Magnetic resonance imaging, abdomen; axial view
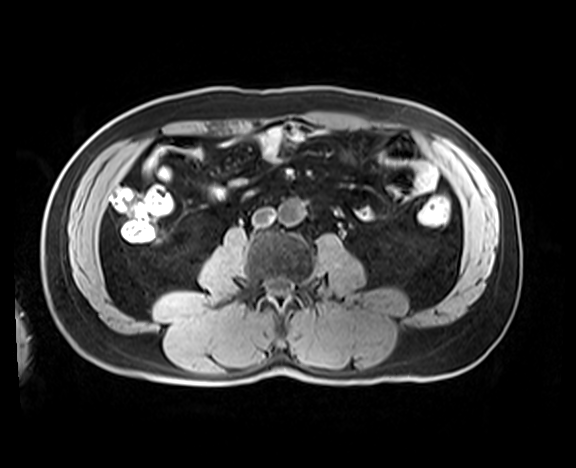 Bounding boxes in pixels, one row per box: x1, y1 is the top-left corner and x2, y2 the bottom-right.
| organ | x1 | y1 | x2 | y2 |
|---|---|---|---|---|
| aorta | 275 | 201 | 303 | 225 |
| inferior vena cava | 252 | 206 | 275 | 230 |